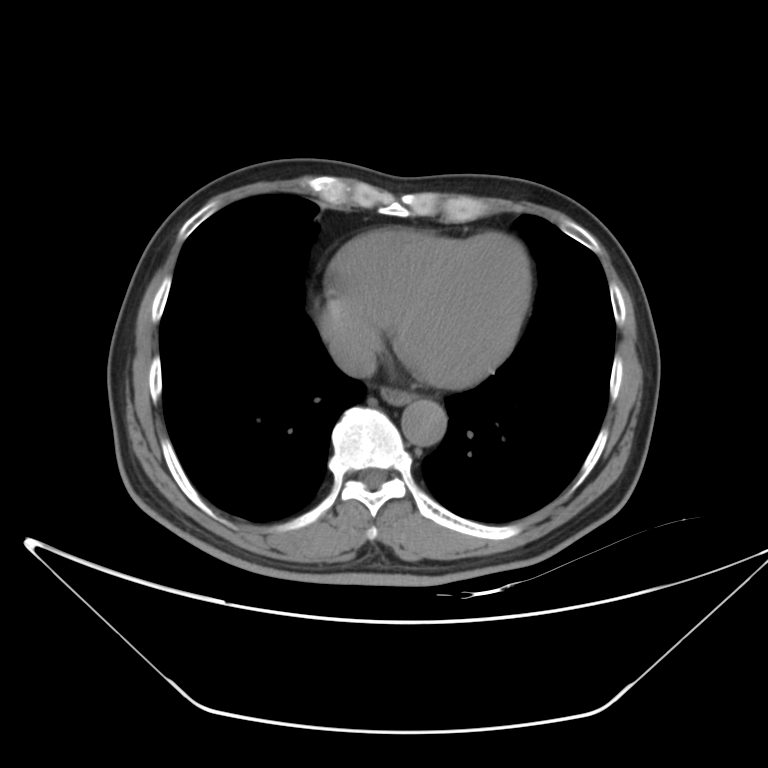 CT of the abdomen reaching into the lower chest, slice just above the liver and spleen — axial view — 56-year-old male patient — 14 organs annotated in this scan (counted over the whole 3D scan, not this slice; an organ is boxed only where this slice passes through it)
No part of the heart or lungs is labeled in this dataset, so neither has a box here. Boxes are (x1, y1, x2, y2) in pixels. Labeled organs on this slice: esophagus at (380, 387, 413, 404), aorta at (401, 400, 447, 445), inferior vena cava at (330, 336, 376, 377).